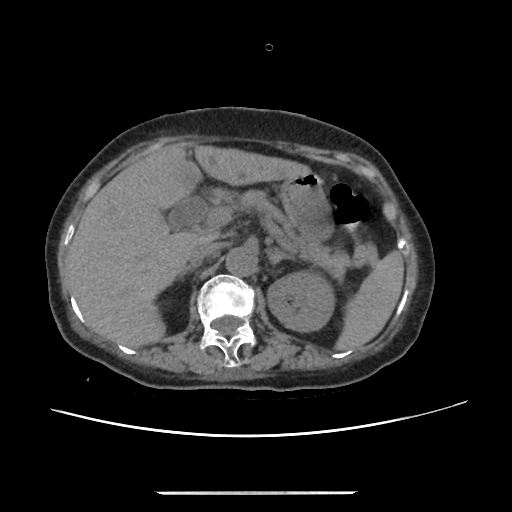
Computed tomography, abdomen — axial view — soft-tissue window — 512x512 px
Boxes: x1:y1:x2:y2 in pixels.
Organ bounding boxes:
- spleen: 334:250:403:351
- left kidney: 267:273:333:331
- liver: 67:143:312:348
- stomach: 280:174:334:243
- aorta: 226:247:257:276
- inferior vena cava: 188:242:220:267
- pancreas: 237:190:353:281
- right adrenal gland: 179:267:192:278
- left adrenal gland: 268:248:290:265